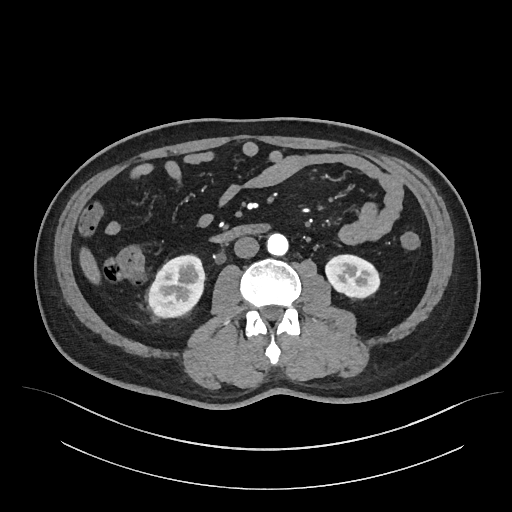 Computed tomography, abdomen — axial plane, index 139
{"organs":{"left kidney":[324,255,381,298],"duodenum":[215,224,266,242],"liver":[80,247,99,283],"inferior vena cava":[234,236,259,258],"right kidney":[149,255,204,316],"aorta":[267,233,288,255]}}